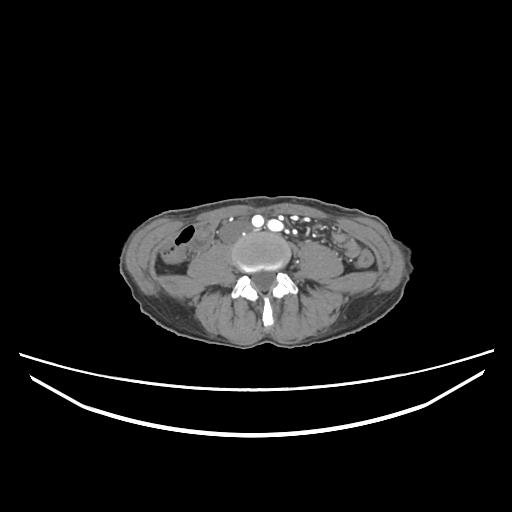 Abdominal CT. axial plane, index 40. 512x512 px. 50-year-old male patient
Bounding boxes as [x1, y1, x2, y2] in pixel coordinates.
Organ bounding boxes:
- inferior vena cava: [220, 219, 250, 242]